Chest-level slice from an abdominal CT that extends up into the chest · axial view · W/L 400/40 HU
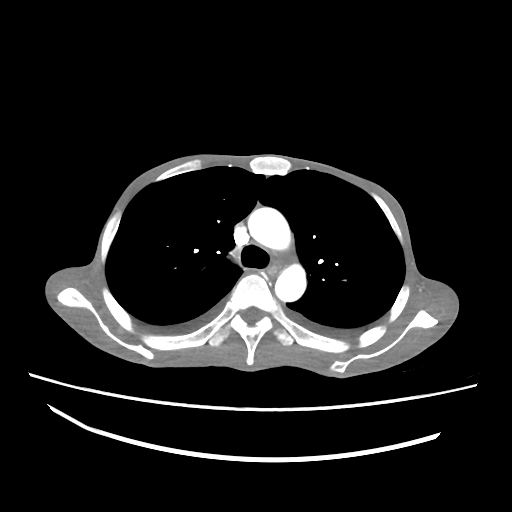

On a slice this high in the chest, this dataset labels only the esophagus and the aorta, and each is boxed only where it is labeled; the heart, lungs and other chest structures are not labeled.
<organs><organ name="esophagus" x1="269" y1="263" x2="279" y2="275"/><organ name="aorta" x1="248" y1="207" x2="290" y2="249"/><organ name="aorta" x1="275" y1="264" x2="306" y2="301"/></organs>